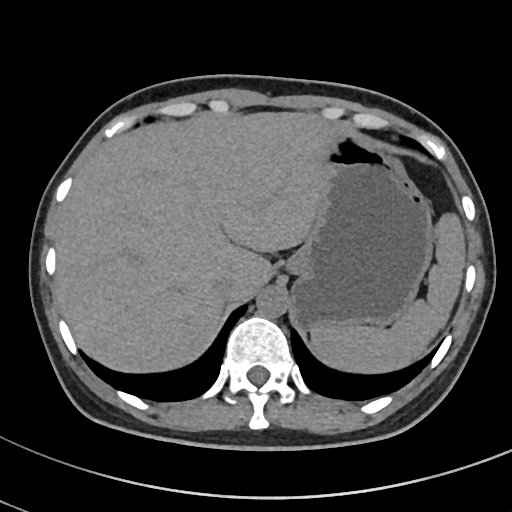

Computed tomography, abdomen. axial plane, index 187. 512x512 px. 15 organs annotated in this scan (that count is for the whole scan; organs this slice misses have no box)
{"organs":{"spleen":[311,213,467,375],"liver":[54,111,335,374],"stomach":[289,129,433,327],"aorta":[256,286,288,317],"inferior vena cava":[215,273,235,293]}}